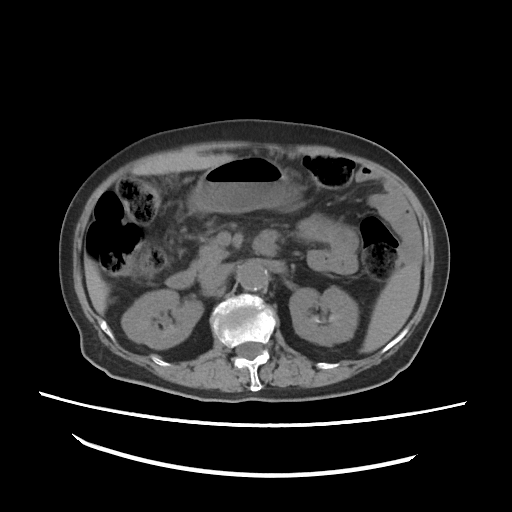 CT, abdomen/pelvis — Axial slice 64/100 — 512x512 px — 75-year-old female patient
Boxes: x1:y1:x2:y2 in pixels.
spleen: 358:265:421:352
right kidney: 120:290:204:348
left kidney: 290:284:357:345
liver: 86:153:234:314
stomach: 191:156:300:212
aorta: 237:262:266:289
inferior vena cava: 200:263:233:287
pancreas: 192:225:233:273
duodenum: 166:229:276:289